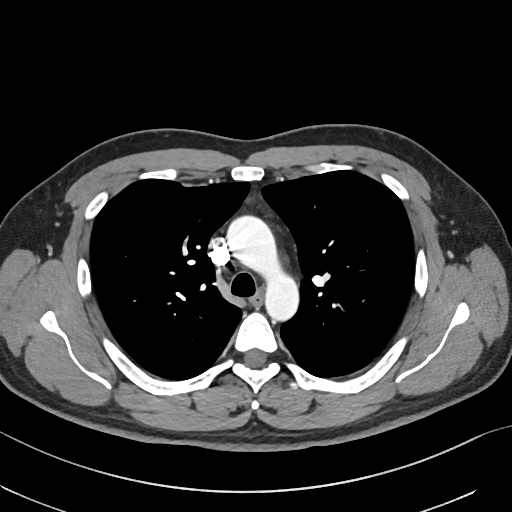

Chest-level slice from an abdominal CT that extends up into the chest · axial view · 512x512 px · acquired on SOMATOM Force
At this level of the chest this dataset labels only the esophagus and the aorta, and each is boxed only where it is labeled; the heart and lungs are never labeled.
<organs><organ name="aorta" x1="225" y1="214" x2="298" y2="323"/><organ name="esophagus" x1="250" y1="292" x2="263" y2="305"/></organs>